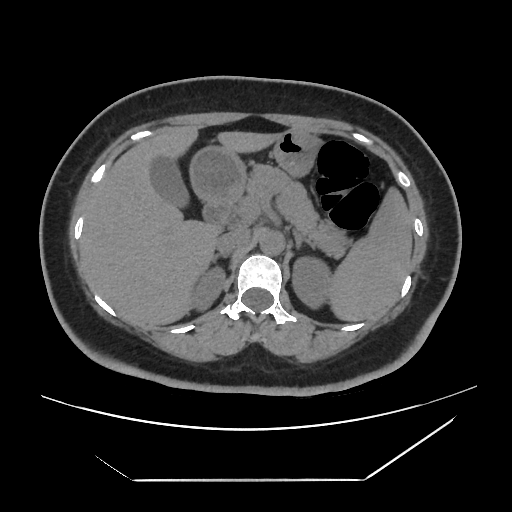
Abdominal CT. axial view. 512x512 px
<organs><organ name="spleen" x1="328" y1="187" x2="412" y2="321"/><organ name="right kidney" x1="192" y1="266" x2="225" y2="310"/><organ name="left kidney" x1="292" y1="257" x2="331" y2="308"/><organ name="gall bladder" x1="150" y1="156" x2="189" y2="207"/><organ name="liver" x1="79" y1="125" x2="281" y2="326"/><organ name="stomach" x1="189" y1="130" x2="319" y2="202"/><organ name="aorta" x1="259" y1="230" x2="284" y2="255"/><organ name="inferior vena cava" x1="215" y1="228" x2="250" y2="252"/><organ name="pancreas" x1="247" y1="165" x2="351" y2="257"/><organ name="right adrenal gland" x1="212" y1="253" x2="229" y2="261"/><organ name="left adrenal gland" x1="293" y1="231" x2="314" y2="249"/><organ name="duodenum" x1="202" y1="198" x2="234" y2="226"/></organs>